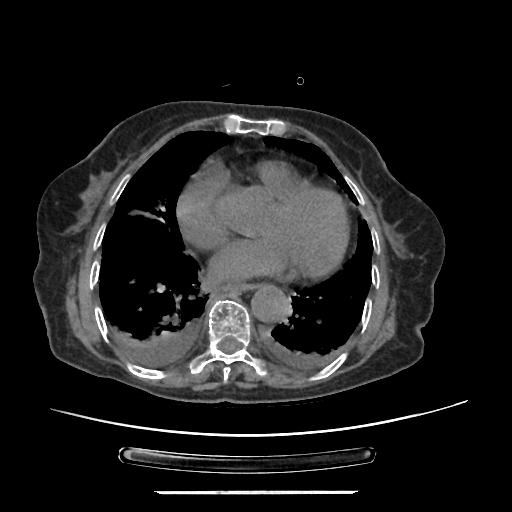
Abdominal CT; this slice is in the lower chest, just above the liver; axial view
No part of the heart or lungs is labeled in this dataset, so neither has a box here.
<organs><organ name="aorta" x1="251" y1="285" x2="290" y2="322"/><organ name="esophagus" x1="223" y1="284" x2="253" y2="291"/></organs>